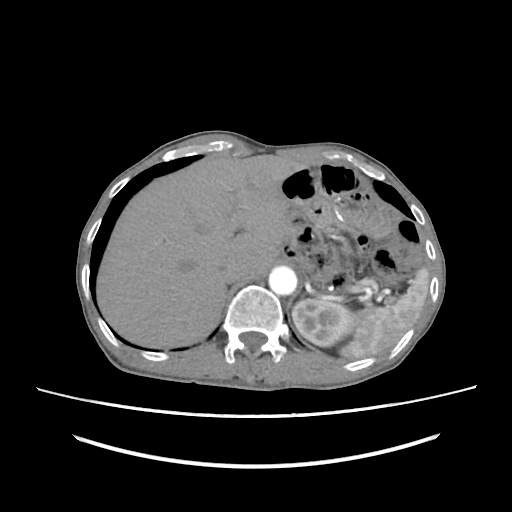 CT, abdomen/pelvis — axial view — W/L 400/40 HU — acquired on Aquilion ONE
Boxes are (x1, y1, x2, y2) in pixels.
spleen: (340, 268, 429, 358)
left kidney: (292, 298, 352, 346)
liver: (96, 155, 306, 348)
aorta: (268, 266, 297, 295)
inferior vena cava: (222, 258, 249, 282)
right adrenal gland: (219, 289, 228, 316)